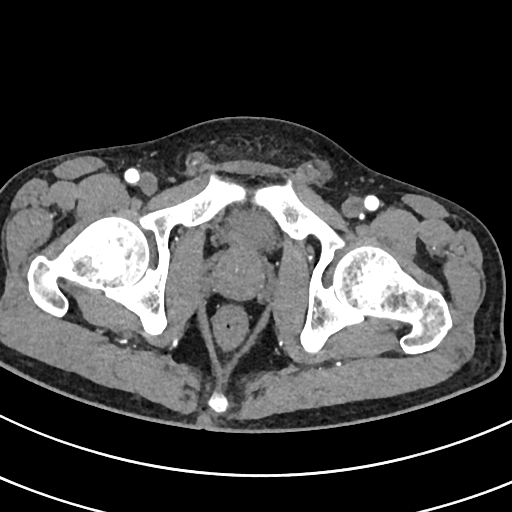 Computed tomography, abdomen · axial view · W/L 400/40 HU · 15 organs annotated in this scan (a whole-scan count: organs this slice does not pass through have no box)
{"organs":{"prostate/uterus":[214,245,264,299],"bladder":[227,213,273,246]}}